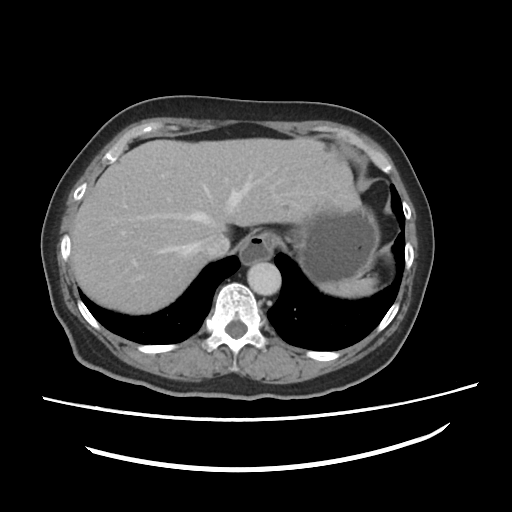
CT abdomen — axial view — W/L 400/40 HU — 14 organs annotated in this scan (a whole-scan count: organs this slice does not pass through have no box)
Box edges are left/top/right/bottom in pixels.
Organ bounding boxes:
- esophagus: left=239, top=234, right=277, bottom=264
- spleen: left=316, top=277, right=376, bottom=299
- aorta: left=247, top=259, right=281, bottom=295
- stomach: left=264, top=201, right=380, bottom=284
- liver: left=71, top=137, right=361, bottom=314
- inferior vena cava: left=197, top=234, right=229, bottom=258